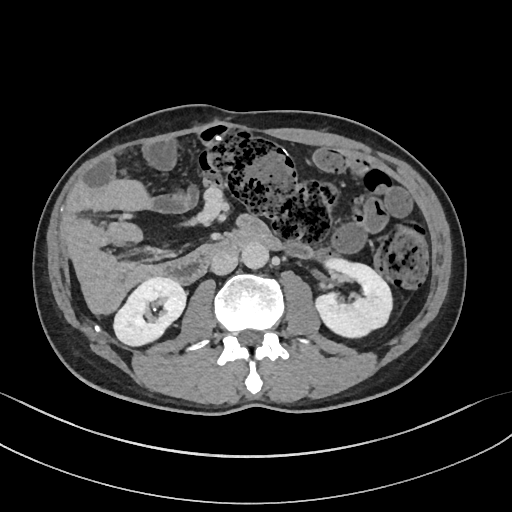
CT, abdomen/pelvis · axial view · soft-tissue window (W 400 / L 40) · acquired on SOMATOM Force
One row per box, in pixels: columns x1 and y1 give the top-left corner, x2 and y2 the bottom-right.
| organ | x1 | y1 | x2 | y2 |
|---|---|---|---|---|
| right kidney | 114 | 278 | 186 | 345 |
| left kidney | 316 | 256 | 393 | 337 |
| aorta | 241 | 242 | 268 | 268 |
| inferior vena cava | 211 | 250 | 238 | 274 |
| duodenum | 155 | 231 | 282 | 283 |